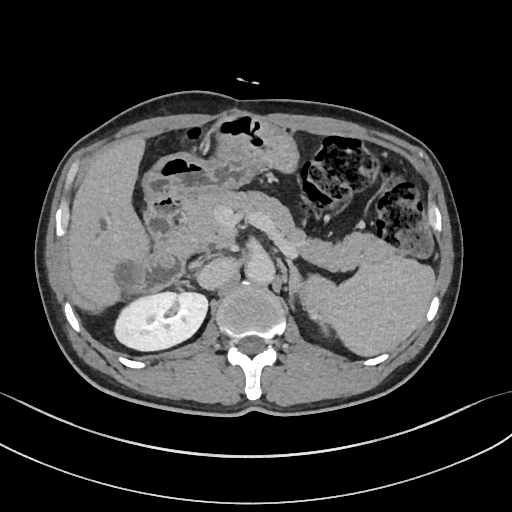 Abdominal CT — axial view — 512x512 px
Bounding boxes as [x1, y1, x2, y2] in pixel coordinates. Labeled organs on this slice: spleen at [301, 257, 435, 356], right kidney at [115, 293, 207, 350], left kidney at [308, 309, 328, 336], liver at [67, 137, 151, 305], stomach at [141, 110, 299, 204], aorta at [245, 254, 275, 284], inferior vena cava at [196, 258, 236, 290], pancreas at [182, 190, 394, 271], right adrenal gland at [178, 282, 194, 289], left adrenal gland at [286, 258, 301, 311], duodenum at [134, 196, 189, 293].